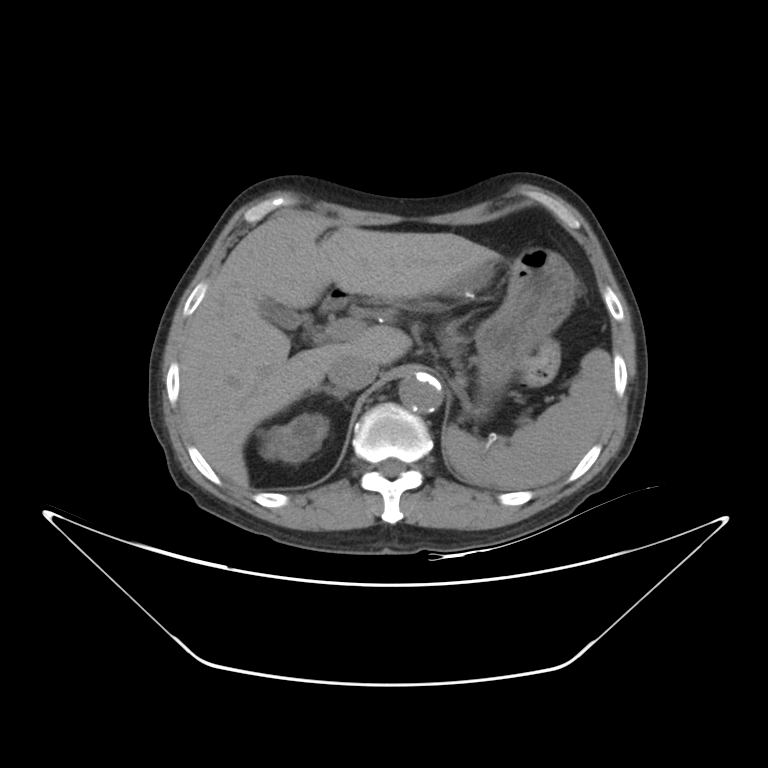 CT, abdomen/pelvis — axial plane, index 78 — abdomen soft-tissue window — 59-year-old male patient — scan has 14 labeled organs (that count is for the whole scan; organs this slice misses have no box)
<organs><organ name="spleen" x1="444" y1="349" x2="613" y2="489"/><organ name="right kidney" x1="259" y1="413" x2="328" y2="462"/><organ name="gall bladder" x1="260" y1="298" x2="308" y2="330"/><organ name="liver" x1="180" y1="214" x2="498" y2="487"/><organ name="stomach" x1="441" y1="247" x2="575" y2="395"/><organ name="aorta" x1="399" y1="374" x2="442" y2="412"/><organ name="inferior vena cava" x1="327" y1="354" x2="378" y2="390"/><organ name="pancreas" x1="443" y1="325" x2="456" y2="337"/><organ name="right adrenal gland" x1="311" y1="386" x2="348" y2="399"/><organ name="duodenum" x1="322" y1="287" x2="350" y2="310"/></organs>